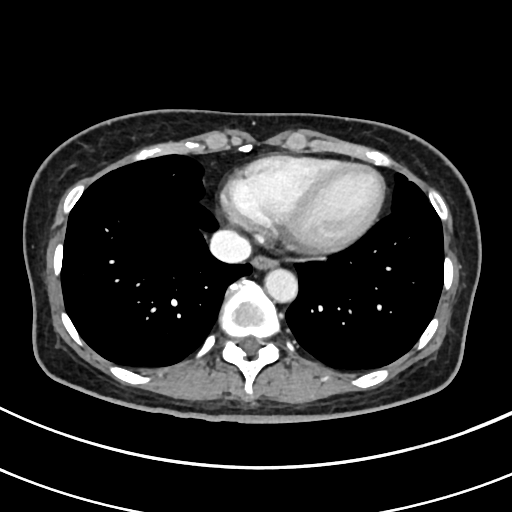

Lower-chest slice from an abdominal CT, just above the liver and spleen. Axial slice 189/192. SOMATOM Force scanner. 15 organs annotated in this scan (a whole-scan count: organs this slice does not pass through have no box)
The heart and lungs are never labeled in this dataset, so they have no box on this slice.
Boxes are (x1, y1, x2, y2) in pixels.
inferior vena cava: (209, 229, 251, 263)
esophagus: (252, 255, 278, 269)
aorta: (265, 269, 297, 302)